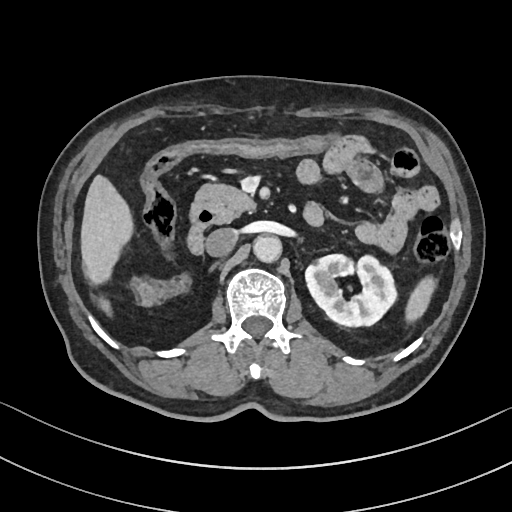

Computed tomography, abdomen; axial view; 14 organs annotated in this scan (counted over the whole 3D scan, not this slice; an organ is boxed only where this slice passes through it)
{"organs":{"aorta":[254,236,282,263],"pancreas":[190,182,254,223],"left kidney":[305,254,396,327],"spleen":[406,276,435,319],"duodenum":[186,212,214,254],"liver":[80,174,133,315],"inferior vena cava":[205,228,238,256]}}